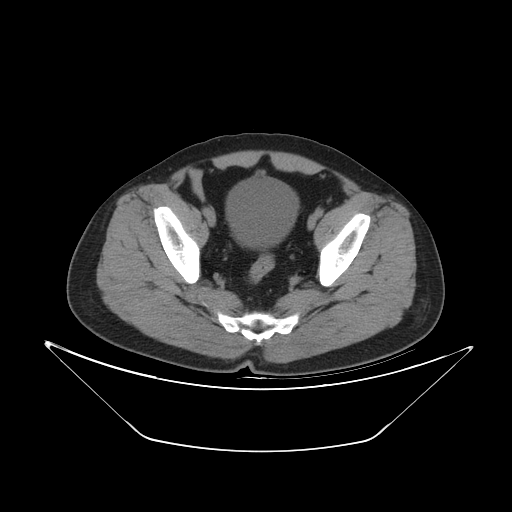
CT, abdomen/pelvis — axial view — soft-tissue window — Brilliance16 scanner — scan has 15 labeled organs (a whole-scan count: organs this slice does not pass through have no box)
Boxes: x1:y1:x2:y2 in pixels. The annotated organs in this slice are: bladder at 226:175:298:247.